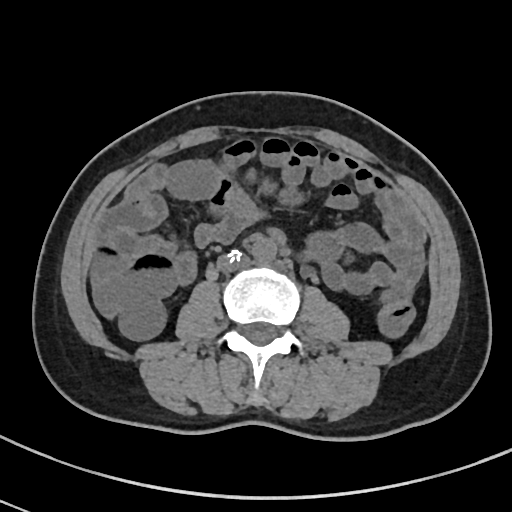
Computed tomography, abdomen — axial plane, index 118 — 15 organs annotated in this scan (a whole-scan count: organs this slice does not pass through have no box)
One row per box, in pixels: columns x1 and y1 give the top-left corner, x2 and y2 the bottom-right.
| organ | x1 | y1 | x2 | y2 |
|---|---|---|---|---|
| inferior vena cava | 217 | 249 | 248 | 272 |
| aorta | 250 | 235 | 276 | 263 |